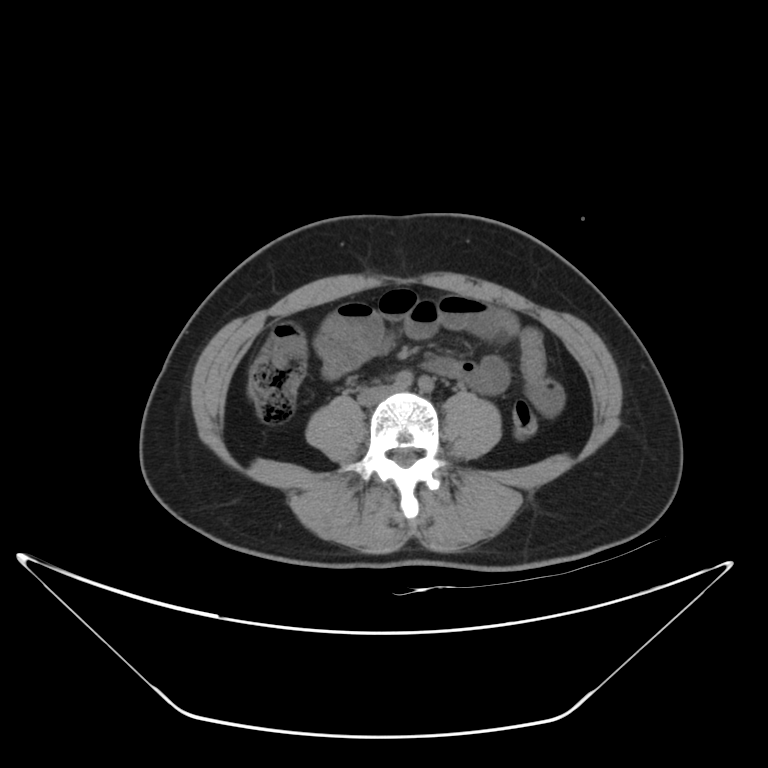

Abdominal CT — Axial slice 48/105 — soft-tissue window (W 400 / L 40) — 768x768 px
Coordinates as <box>x1,y1,x2,y2</box> in pixels. Labeled organs on this slice: inferior vena cava at <box>361,387,390,403</box>.